CT, abdomen/pelvis. axial view. abdomen soft-tissue window. scan has 15 labeled organs (that count is for the whole scan; organs this slice misses have no box)
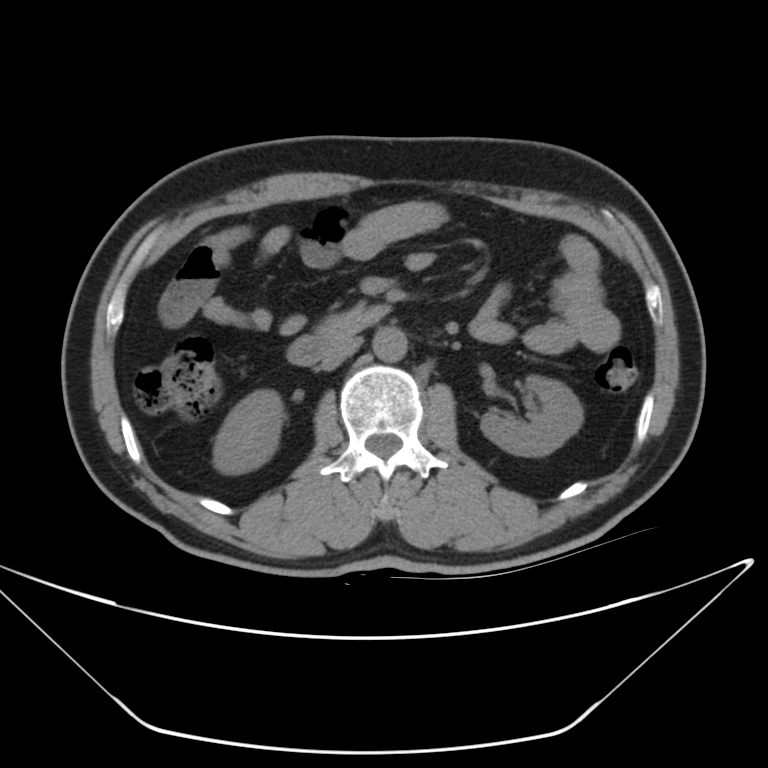 Box edges are left/top/right/bottom in pixels.
right kidney: left=212, top=390, right=281, bottom=472
left kidney: left=479, top=377, right=583, bottom=456
aorta: left=372, top=325, right=408, bottom=361
inferior vena cava: left=318, top=334, right=362, bottom=370
pancreas: left=316, top=301, right=390, bottom=337
duodenum: left=287, top=333, right=326, bottom=364